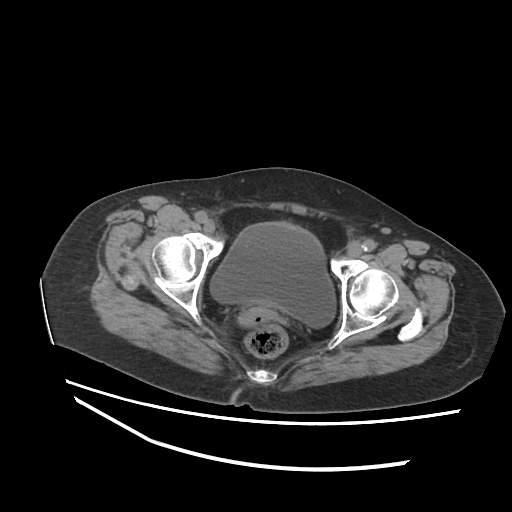
CT, abdomen/pelvis. axial view
Boxes: x1:y1:x2:y2 in pixels. 2 labeled organs on this slice — bladder at 210:222:335:327; prostate/uterus at 239:309:267:325.